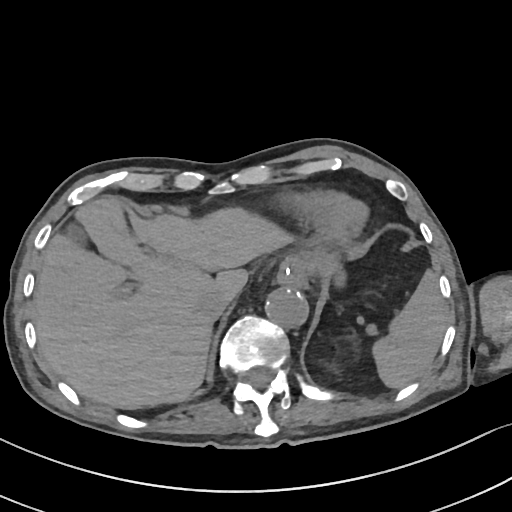 CT abdomen. Axial slice 169/208. 512x512 px
Coordinates as <box>x1,y1,x2,y2</box> in pixels.
Organ bounding boxes:
- liver: <box>33,195,290,409</box>
- esophagus: <box>276,263,307,287</box>
- stomach: <box>285,247,337,274</box>
- aorta: <box>266,286,309,328</box>
- inferior vena cava: <box>196,291,238,319</box>
- spleen: <box>372,272,447,388</box>
- gall bladder: <box>63,221,87,243</box>